Abdominal CT; axial view; scan has 15 labeled organs (a whole-scan count: organs this slice does not pass through have no box)
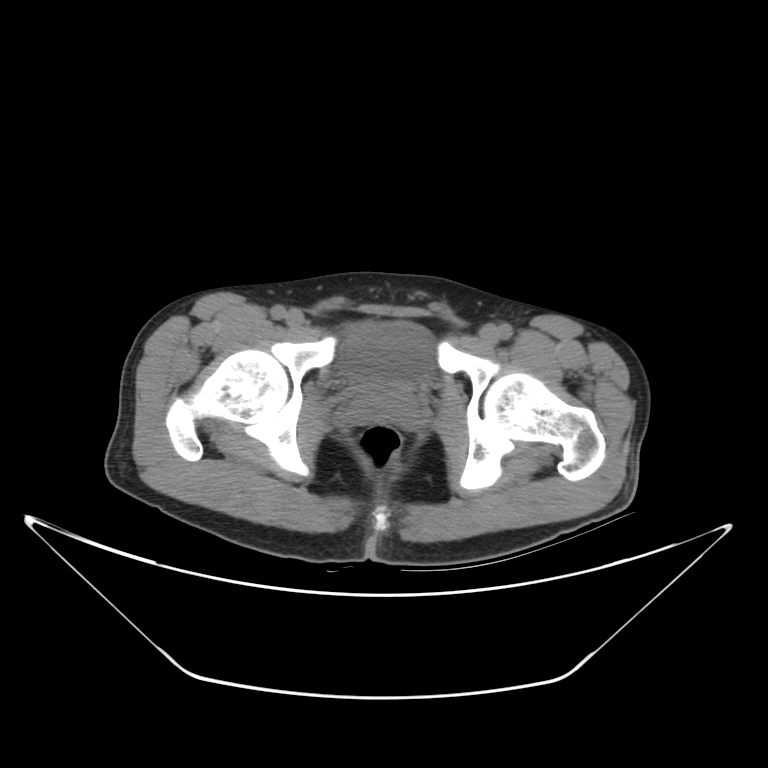 <organs><organ name="prostate/uterus" x1="356" y1="376" x2="411" y2="412"/><organ name="bladder" x1="337" y1="322" x2="438" y2="379"/></organs>